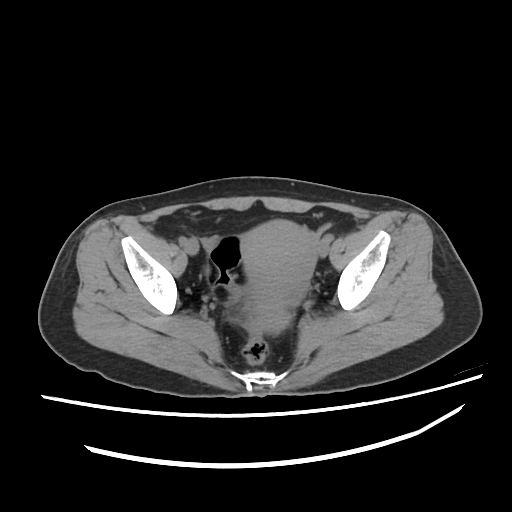 CT, abdomen/pelvis · axial plane, index 23 · 512x512 px · 43-year-old female patient
Coordinates as <box>x1,y1,x2,y2</box> in pixels. The annotated organs in this slice are: prostate/uterus at <box>240,220,319,333</box>.